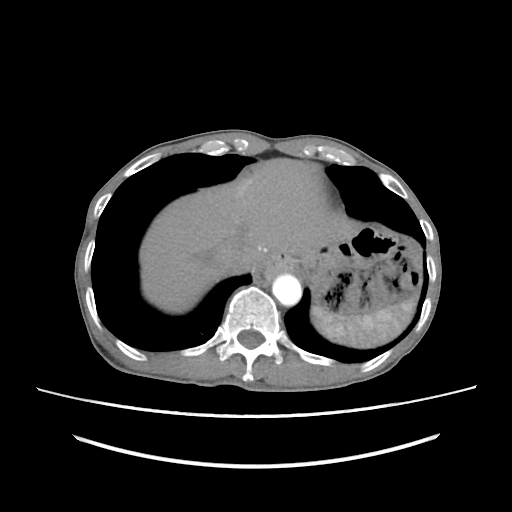
Computed tomography, abdomen; axial view; 512x512 px; 62-year-old male patient; 15 organs annotated in this scan (counted over the whole 3D scan, not this slice; an organ is boxed only where this slice passes through it)
Bounding boxes in pixels, one row per box: x1, y1 is the top-left corner and x2, y2 the bottom-right.
| organ | x1 | y1 | x2 | y2 |
|---|---|---|---|---|
| inferior vena cava | 217 | 246 | 247 | 272 |
| aorta | 272 | 275 | 301 | 306 |
| spleen | 311 | 294 | 418 | 347 |
| liver | 139 | 158 | 341 | 313 |